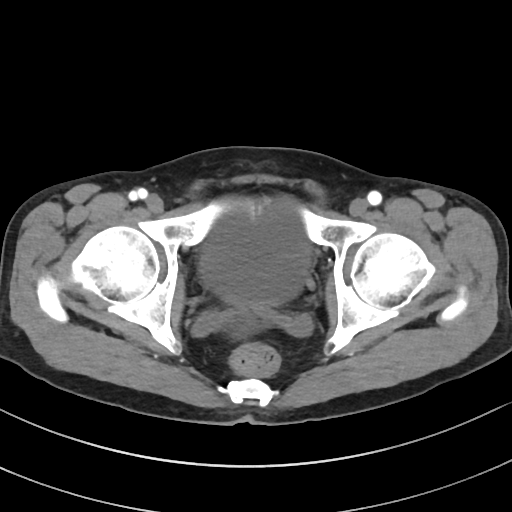
CT, abdomen/pelvis. axial view. abdomen soft-tissue window. 512x512 px
Boxes: x1 y1 x2 y2 (pixel coords, space-separated).
Organ bounding boxes:
- bladder: 199 201 310 302